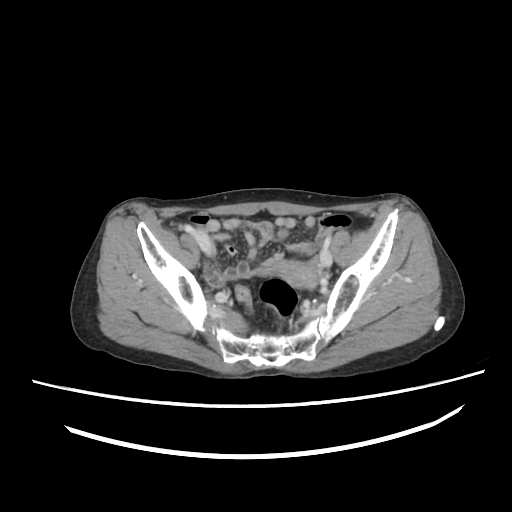

CT, abdomen/pelvis; axial view
<organs><organ name="prostate/uterus" x1="278" y1="258" x2="320" y2="291"/></organs>